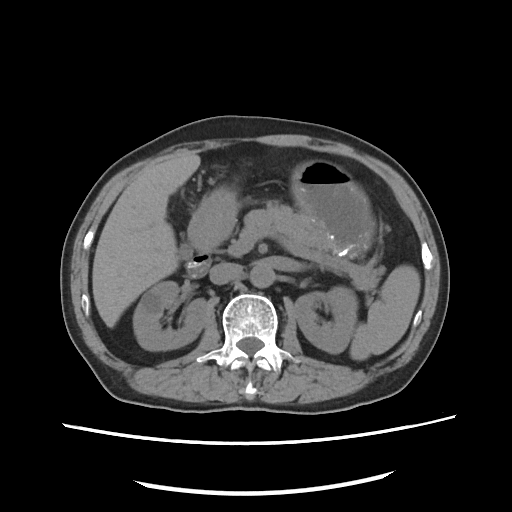

Abdominal CT · axial view · soft-tissue window · 512x512 px · 68-year-old male patient
{"organs":{"spleen":[350,265,420,360],"right kidney":[133,281,206,350],"left kidney":[294,286,357,353],"gall bladder":[180,245,191,258],"liver":[92,151,200,327],"stomach":[189,160,375,258],"aorta":[250,262,275,288],"inferior vena cava":[209,262,241,284],"pancreas":[239,204,384,291],"duodenum":[187,219,210,277]}}